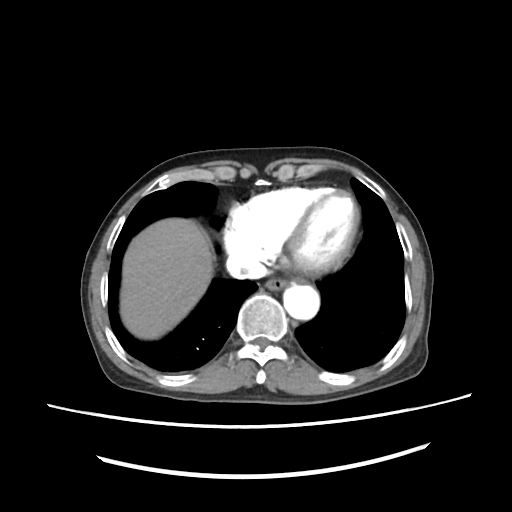
CT abdomen · axial view · soft-tissue window (W 400 / L 40) · 67-year-old male patient
{"organs":{"esophagus":[264,278,289,291],"liver":[120,219,213,339],"aorta":[282,284,319,318],"inferior vena cava":[225,255,267,281]}}